CT abdomen · axial plane, index 82 · 61-year-old female patient · acquired on Aquilion ONE
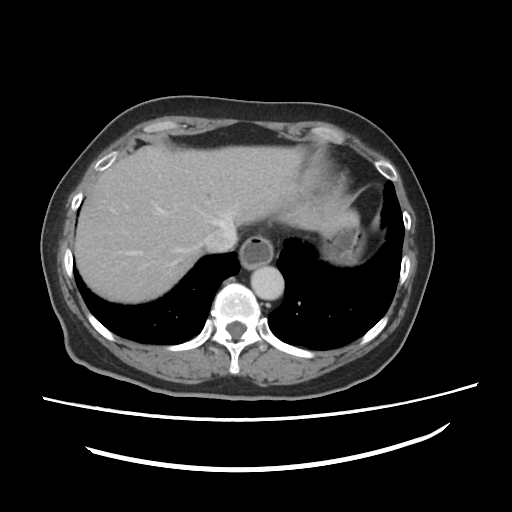
Box edges are left/top/right/bottom in pixels.
Organ bounding boxes:
- liver: left=74, top=144, right=353, bottom=302
- esophagus: left=239, top=236, right=273, bottom=270
- aorta: left=251, top=263, right=284, bottom=300
- inferior vena cava: left=201, top=223, right=236, bottom=253
- stomach: left=322, top=215, right=359, bottom=266